CT, abdomen/pelvis · axial plane, index 65
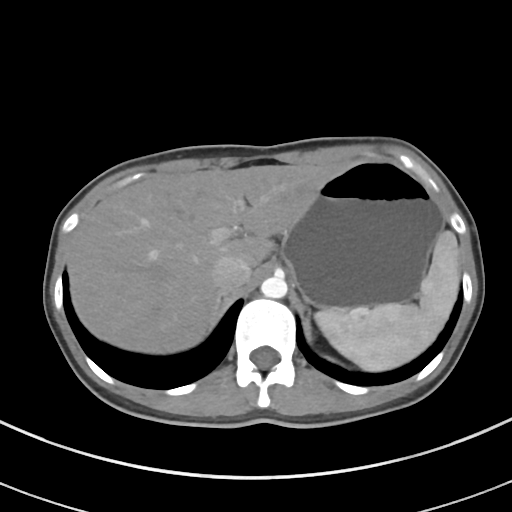 Bounding boxes as [x1, y1, x2, y2] in pixel coordinates.
Organ bounding boxes:
- left adrenal gland: [302, 316, 312, 341]
- liver: [67, 162, 351, 353]
- spleen: [315, 231, 459, 371]
- aorta: [261, 275, 287, 298]
- inferior vena cava: [211, 255, 251, 292]
- right adrenal gland: [208, 297, 224, 328]
- stomach: [281, 160, 443, 308]